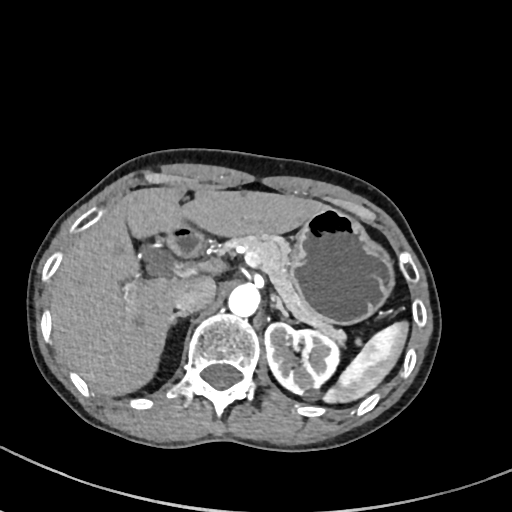

CT abdomen — axial plane, index 165 — soft-tissue window — acquired on SOMATOM Force
<organs><organ name="duodenum" x1="166" y1="224" x2="204" y2="256"/><organ name="left kidney" x1="264" y1="323" x2="339" y2="399"/><organ name="pancreas" x1="219" y1="234" x2="346" y2="344"/><organ name="liver" x1="49" y1="185" x2="323" y2="396"/><organ name="stomach" x1="291" y1="205" x2="393" y2="324"/><organ name="left adrenal gland" x1="271" y1="294" x2="288" y2="318"/><organ name="aorta" x1="228" y1="284" x2="259" y2="316"/><organ name="inferior vena cava" x1="176" y1="276" x2="215" y2="313"/><organ name="spleen" x1="323" y1="322" x2="408" y2="402"/><organ name="right adrenal gland" x1="171" y1="312" x2="187" y2="324"/></organs>